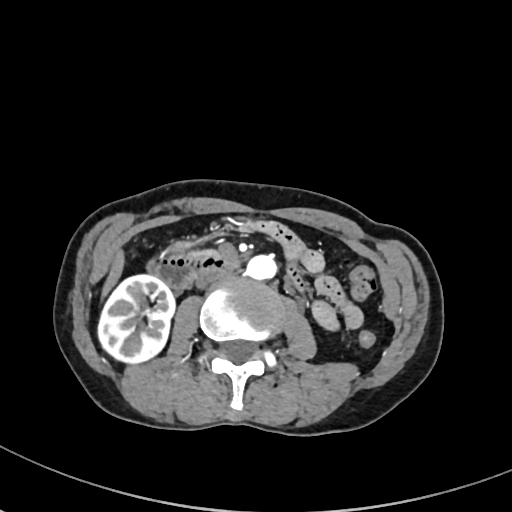 CT, abdomen/pelvis; axial plane, index 129; 512x512 px
<organs><organ name="inferior vena cava" x1="195" y1="271" x2="225" y2="287"/><organ name="right kidney" x1="99" y1="274" x2="175" y2="362"/><organ name="duodenum" x1="145" y1="254" x2="233" y2="290"/><organ name="pancreas" x1="190" y1="249" x2="219" y2="255"/><organ name="liver" x1="103" y1="250" x2="123" y2="295"/><organ name="aorta" x1="246" y1="255" x2="278" y2="279"/></organs>